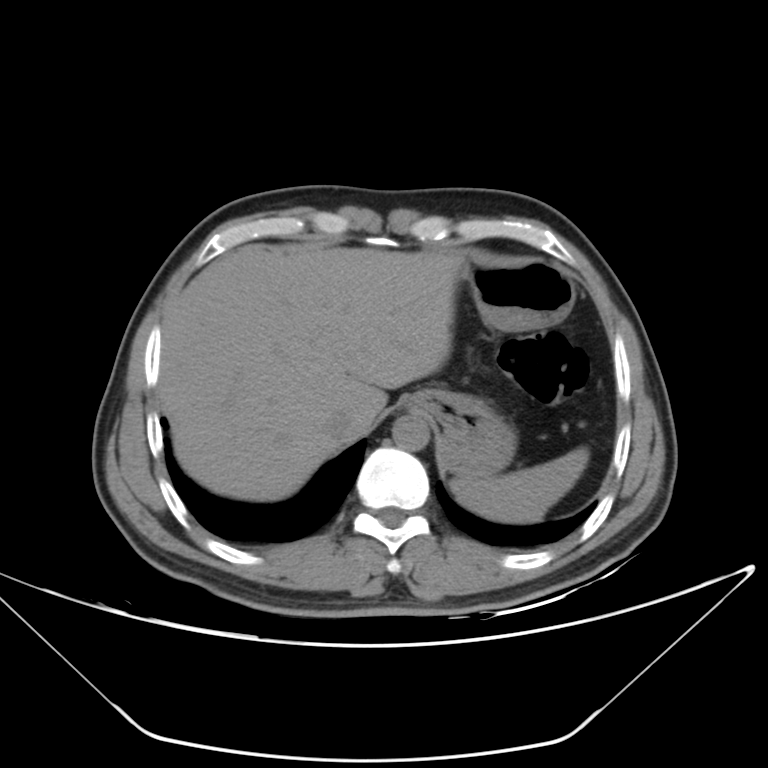
Abdominal CT; axial view; 768x768 px
{"organs":{"spleen":[451,447,589,523],"liver":[158,244,466,501],"stomach":[409,261,575,478],"aorta":[392,413,429,450],"inferior vena cava":[323,408,356,439]}}